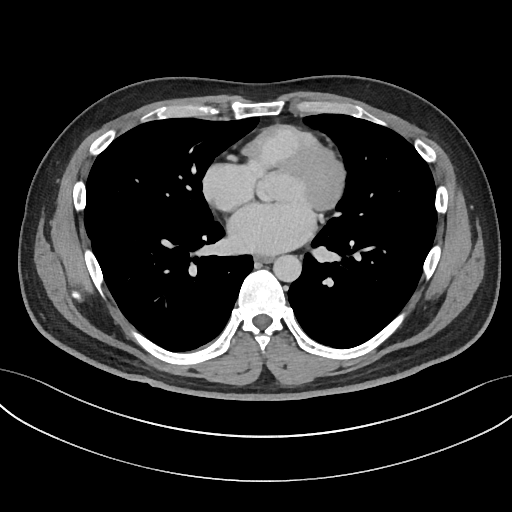

Lower-chest slice from an abdominal CT, just above the liver and spleen — axial view — soft-tissue window (W 400 / L 40) — 512x512 px — acquired on SOMATOM Force
The heart and lungs are never labeled in this dataset, so they have no box on this slice.
{"organs":{"aorta":[273,255,301,282],"esophagus":[254,255,273,263]}}